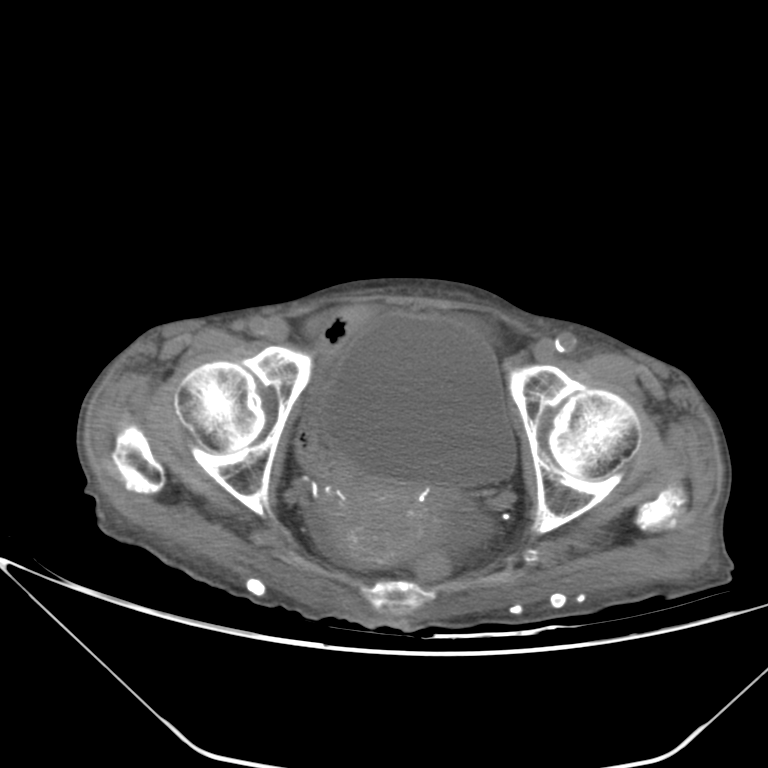
CT, abdomen/pelvis — axial view — 768x768 px — scan has 14 labeled organs (counted over the whole 3D scan, not this slice; an organ is boxed only where this slice passes through it)
Each box given as x1,y1,x2,y2. The annotated organs in this slice are: bladder at x1=318, y1=313, x2=515, y2=487, prostate/uterus at x1=325, y1=478, x2=446, y2=566.